Computed tomography, abdomen · axial view
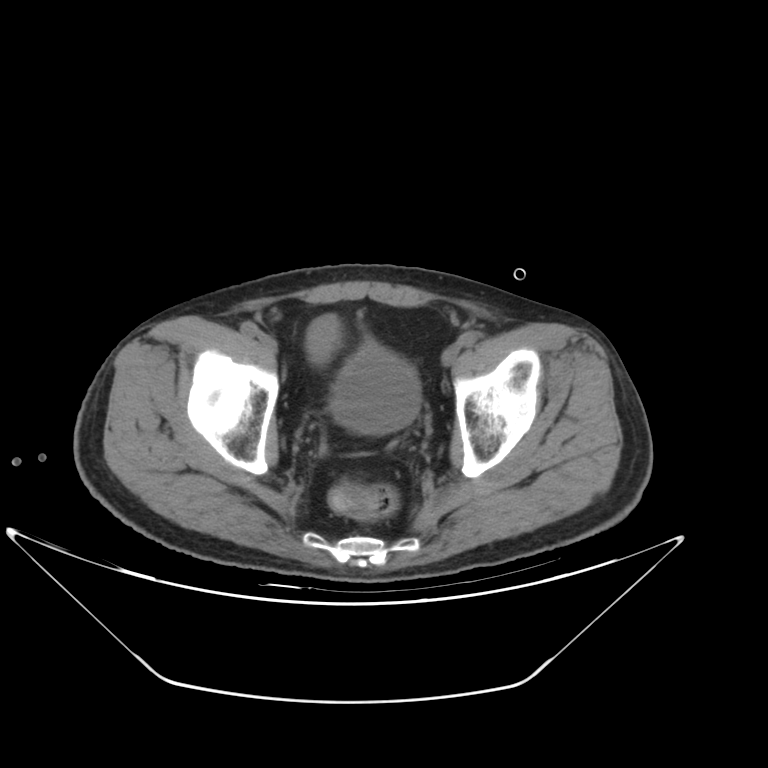

{"organs":{"bladder":[328,341,421,434]}}